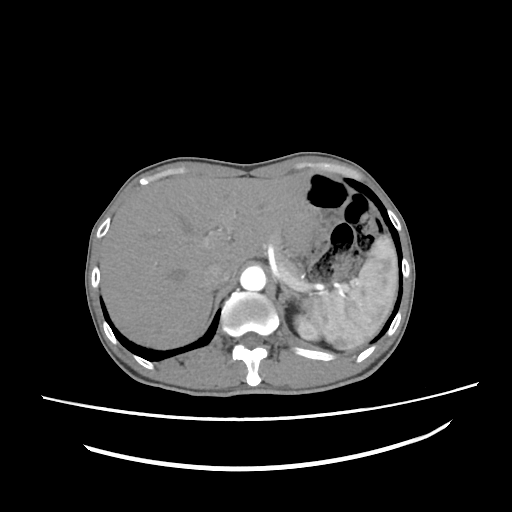 Computed tomography, abdomen — axial view — soft-tissue window (W 400 / L 40) — 50-year-old male patient — Aquilion ONE scanner
Organ boxes in pixel coordinates; each row gives the top-left (x1, y1) and bottom-right (x2, y2) corners.
| organ | x1 | y1 | x2 | y2 |
|---|---|---|---|---|
| spleen | 303 | 235 | 397 | 349 |
| left kidney | 294 | 314 | 320 | 340 |
| liver | 101 | 171 | 311 | 348 |
| aorta | 240 | 266 | 265 | 291 |
| inferior vena cava | 203 | 262 | 234 | 288 |
| pancreas | 268 | 232 | 302 | 280 |
| left adrenal gland | 279 | 284 | 299 | 306 |